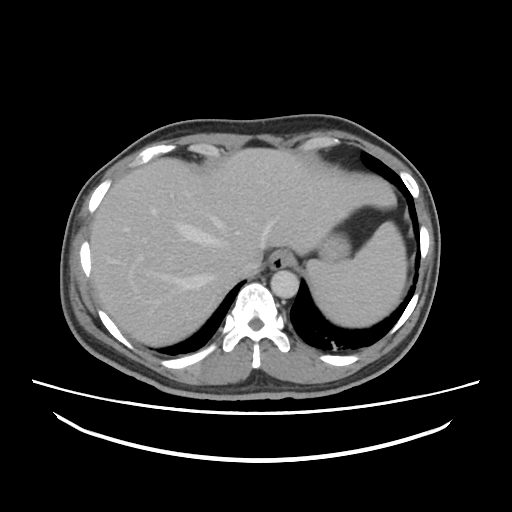
CT, abdomen/pelvis — Axial slice 89/133 — W/L 400/40 HU — 512x512 px — 31-year-old male patient — Aquilion ONE scanner — scan has 15 labeled organs (counted over the whole 3D scan, not this slice; an organ is boxed only where this slice passes through it)
One row per box, in pixels: columns x1 and y1 give the top-left corner, x2 and y2 the bottom-right.
| organ | x1 | y1 | x2 | y2 |
|---|---|---|---|---|
| spleen | 306 | 221 | 406 | 327 |
| liver | 90 | 148 | 396 | 346 |
| aorta | 270 | 270 | 298 | 298 |
| inferior vena cava | 234 | 254 | 260 | 276 |
| stomach | 317 | 233 | 350 | 261 |
| esophagus | 270 | 250 | 293 | 269 |